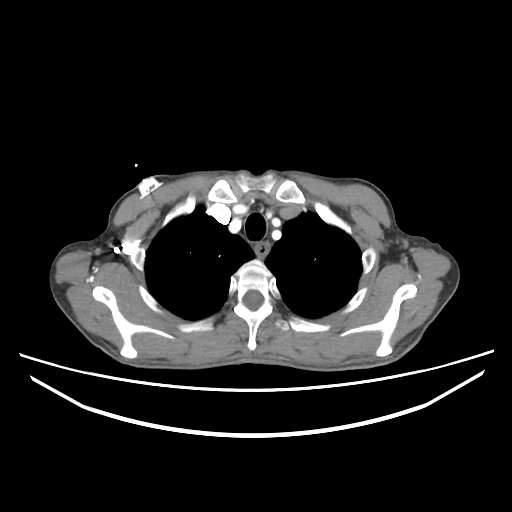 Chest-level CT slice, above the liver and spleen; axial view; 512x512 px; acquired on Aquilion ONE
On a slice this high in the chest, this dataset labels only the esophagus and the aorta, and each is boxed only where it is labeled; the heart, lungs and other chest structures are not labeled.
Boxes are (x1, y1, x2, y2) in pixels.
esophagus: (255, 243, 269, 257)